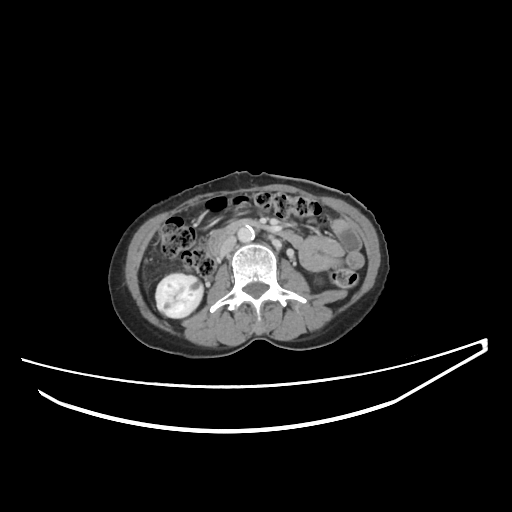 Computed tomography, abdomen; axial view; W/L 400/40 HU; 62-year-old female patient
<organs><organ name="right kidney" x1="155" y1="273" x2="203" y2="318"/><organ name="aorta" x1="237" y1="226" x2="254" y2="242"/><organ name="inferior vena cava" x1="219" y1="235" x2="236" y2="257"/><organ name="duodenum" x1="209" y1="219" x2="301" y2="256"/></organs>